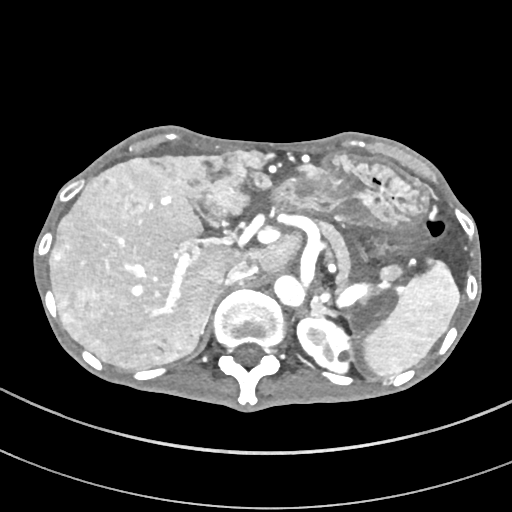

CT abdomen · axial view · W/L 400/40 HU
Boxes are (x1, y1, x2, y2) in pixels. Labeled organs on this slice: spleen at (362, 263, 460, 377), left kidney at (295, 315, 350, 373), liver at (49, 149, 324, 369), stomach at (270, 154, 429, 231), aorta at (274, 274, 308, 308), inferior vena cava at (225, 263, 257, 284), pancreas at (319, 222, 350, 292), right adrenal gland at (199, 290, 220, 334), left adrenal gland at (308, 300, 336, 318).